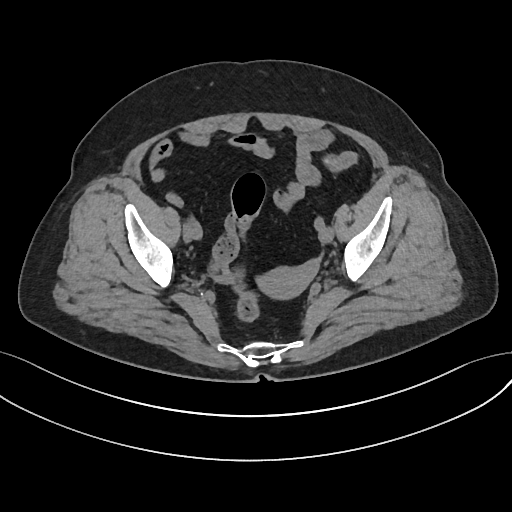 CT abdomen; axial view
{"organs":{"prostate/uterus":[255,266,310,299]}}